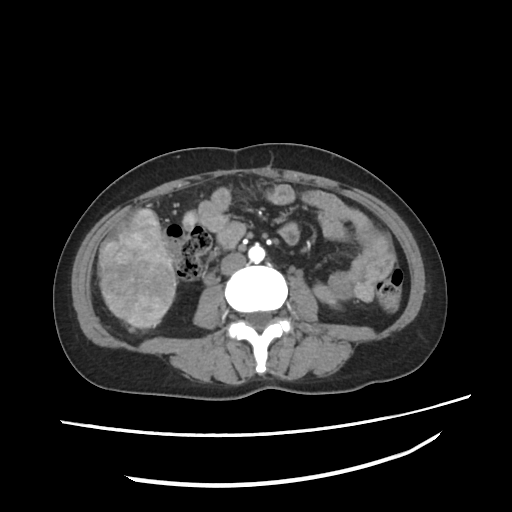
Abdominal CT. Axial slice 43/78. scan has 15 labeled organs (a whole-scan count: organs this slice does not pass through have no box)
Boxes are (x1, y1, x2, y2) in pixels.
Organ bounding boxes:
- aorta: (249, 246, 263, 262)
- inferior vena cava: (222, 252, 246, 274)